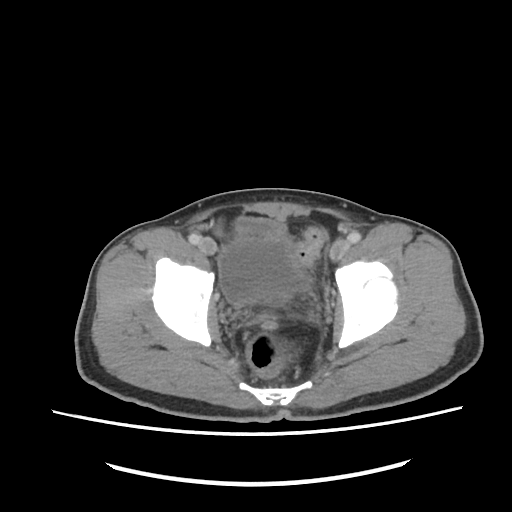

Abdominal CT · axial view · abdomen soft-tissue window
Bounding boxes as [x1, y1, x2, y2] in pixel coordinates. Labeled organs on this slice: bladder at [218, 218, 309, 305].